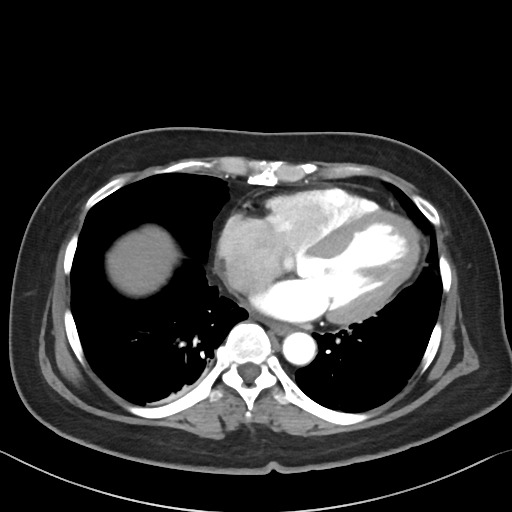
Computed tomography, abdomen · Axial slice 84/88
Bounding boxes in pixels, one row per box: x1, y1 is the top-left corner and x2, y2 the bottom-right.
| organ | x1 | y1 | x2 | y2 |
|---|---|---|---|---|
| esophagus | 267 | 321 | 292 | 334 |
| liver | 107 | 225 | 178 | 296 |
| aorta | 282 | 332 | 315 | 365 |
| inferior vena cava | 228 | 272 | 262 | 292 |